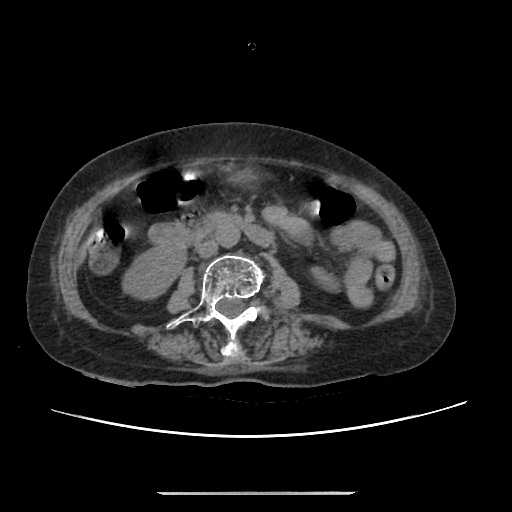

CT abdomen; axial plane, index 193; soft-tissue window; 512x512 px
Coordinates as <box>x1,y1,x2,y2</box> in pixels.
Organ bounding boxes:
- right kidney: <box>122,243,186,299</box>
- stomach: <box>226,168,259,183</box>
- aorta: <box>215,224,239,247</box>
- inferior vena cava: <box>196,240,217,257</box>
- duodenum: <box>152,212,275,247</box>